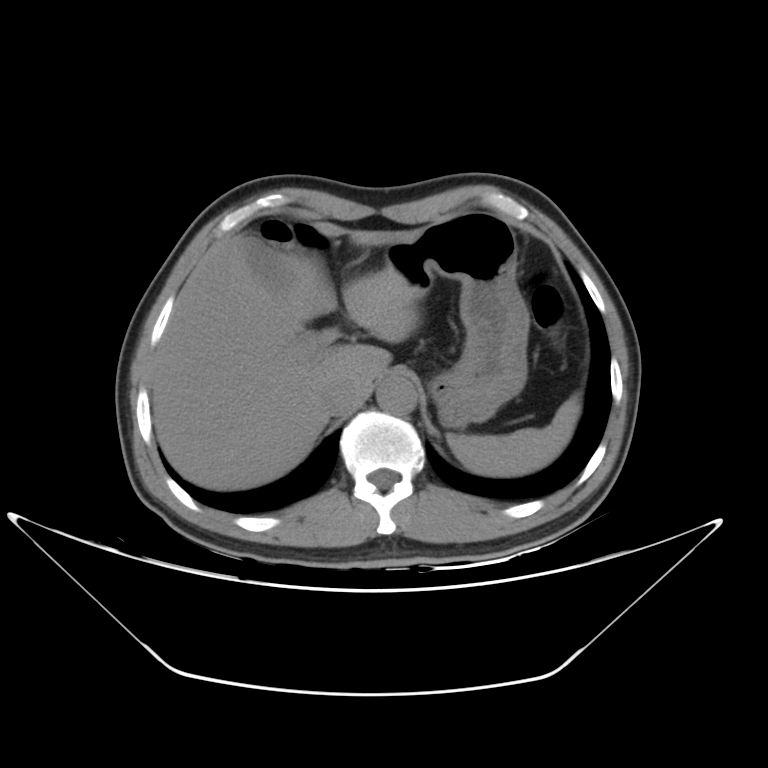
CT abdomen · Axial slice 88/104 · 768x768 px · 53-year-old male patient
Coordinates as <box>x1,y1,x2,y2</box> in pixels.
spleen: <box>447,398,581,475</box>
gall bladder: <box>242,234,293,291</box>
liver: <box>151,221,428,490</box>
stomach: <box>385,210,528,427</box>
aorta: <box>375,376,417,415</box>
inferior vena cava: <box>320,378,355,416</box>